CT, abdomen/pelvis — axial plane, index 190 — soft-tissue window (W 400 / L 40) — 512x512 px
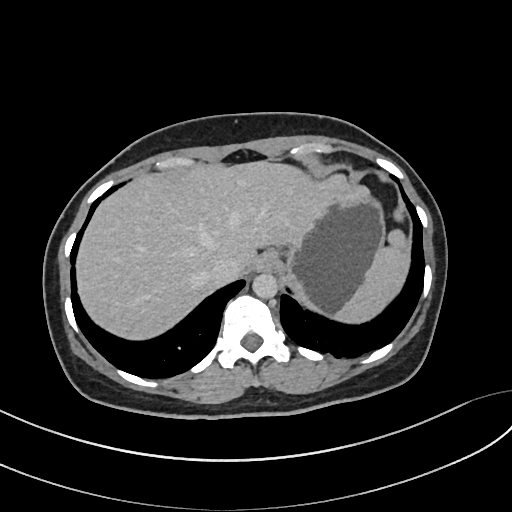 Boxes: x1:y1:x2:y2 in pixels. Labeled organs on this slice: inferior vena cava at 205:256:242:285, liver at 76:160:346:339, spleen at 335:210:409:323, stomach at 270:184:385:314, aorta at 252:273:277:298, esophagus at 255:250:278:271.